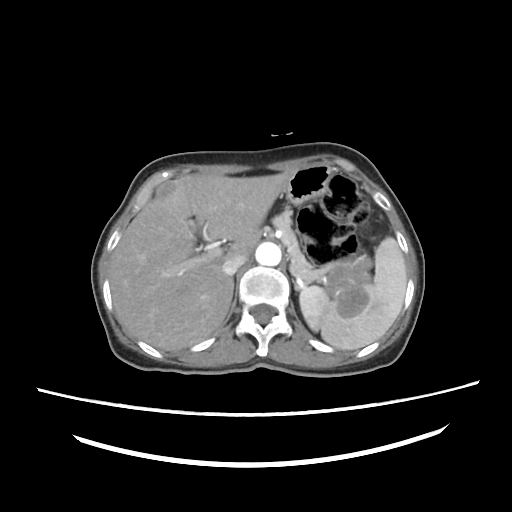
CT abdomen. axial view. W/L 400/40 HU. 512x512 px. 15 organs annotated in this scan (counted over the whole 3D scan, not this slice; an organ is boxed only where this slice passes through it)
Boxes: x1 y1 x2 y2 (pixel coords, space-separated).
inferior vena cava: 222 253 246 275
liver: 109 173 290 352
aorta: 255 242 281 266
spleen: 299 236 404 350
pancreas: 271 206 318 281
stomach: 284 165 372 317